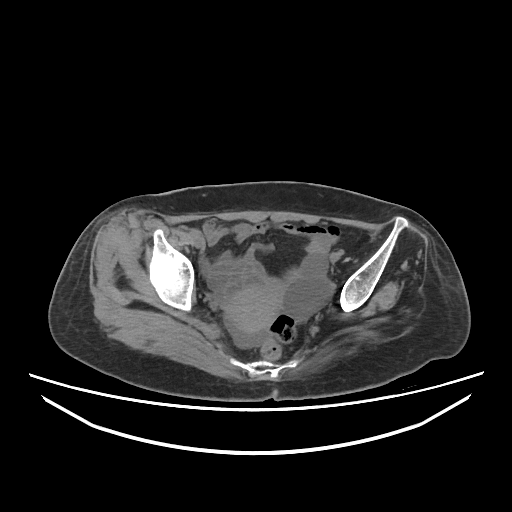
CT abdomen · axial view · 15 organs annotated in this scan (counted over the whole 3D scan, not this slice; an organ is boxed only where this slice passes through it)
Organ boxes in pixel coordinates; each row gives the top-left (x1, y1) and bottom-right (x2, y2) corners.
| organ | x1 | y1 | x2 | y2 |
|---|---|---|---|---|
| prostate/uterus | 224 | 282 | 282 | 333 |